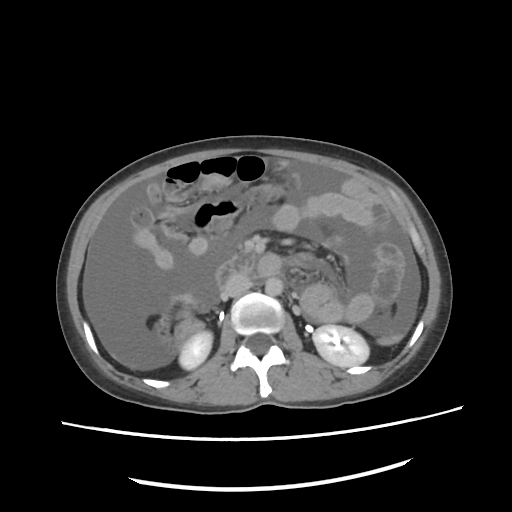
Computed tomography, abdomen. axial plane, index 70. abdomen soft-tissue window
{"organs":{"right kidney":[178,330,212,370],"left kidney":[312,324,369,366],"aorta":[264,277,282,297],"inferior vena cava":[224,275,250,297],"duodenum":[215,250,256,286]}}